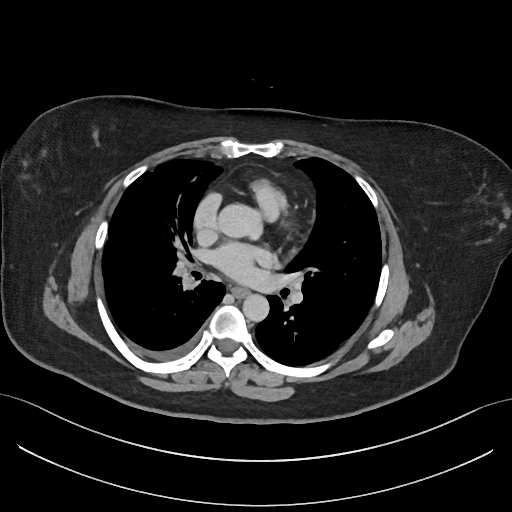
Chest-level CT slice, above the liver and spleen · Axial slice 236/305 · soft-tissue window, W/L 400/40 · 15 organs annotated in this scan (counted over the whole 3D scan, not this slice; an organ is boxed only where this slice passes through it)
At this level of the chest no structure but the esophagus and the aorta has a label in this dataset, and those two are boxed only where they are labeled.
Boxes: x1 y1 x2 y2 (pixel coords, space-separated).
Organ bounding boxes:
- esophagus: 232 287 250 298
- aorta: 218 203 259 237
- aorta: 242 294 269 322